CT of the abdomen extending into the chest, slice through the chest. axial view. soft-tissue window
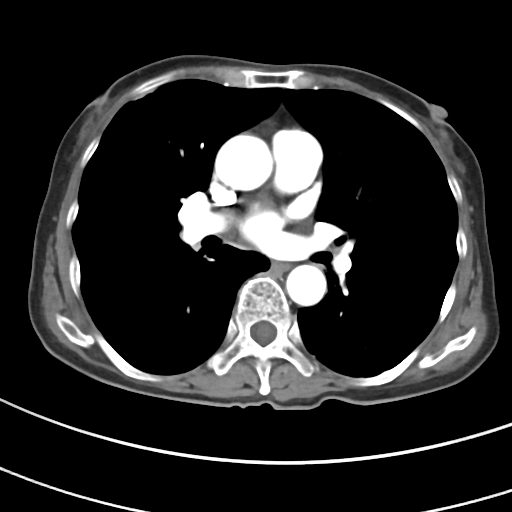

At this level of the chest this dataset labels only the esophagus and the aorta, and each is boxed only where it is labeled; the heart and lungs are never labeled.
<organs><organ name="esophagus" x1="272" y1="261" x2="290" y2="270"/><organ name="aorta" x1="214" y1="134" x2="273" y2="190"/><organ name="aorta" x1="286" y1="264" x2="326" y2="306"/></organs>